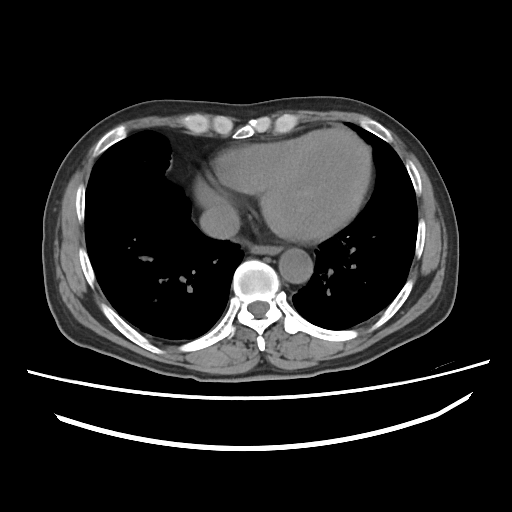
CT of the abdomen reaching into the lower chest, slice just above the liver and spleen — Axial slice 95/95 — 48-year-old male patient
No part of the heart or lungs is labeled in this dataset, so neither has a box here.
Boxes: x1:y1:x2:y2 in pixels.
Organ bounding boxes:
- esophagus: 248:244:280:254
- aorta: 279:248:312:283
- inferior vena cava: 199:203:240:238